CT abdomen — axial view — soft-tissue window (W 400 / L 40) — 512x512 px
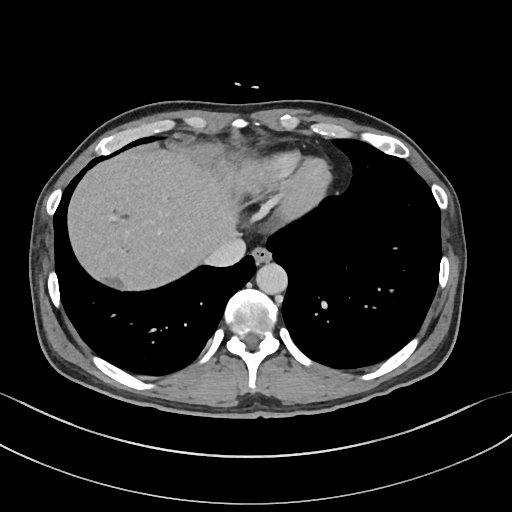 Organ boxes in pixel coordinates; each row gives the top-left (x1, y1) and bottom-right (x2, y2) corners.
| organ | x1 | y1 | x2 | y2 |
|---|---|---|---|---|
| liver | 67 | 145 | 263 | 290 |
| inferior vena cava | 204 | 237 | 245 | 267 |
| esophagus | 252 | 246 | 271 | 264 |
| aorta | 256 | 262 | 287 | 294 |